Abdominal CT — axial plane, index 15 — soft-tissue window — SOMATOM Force scanner
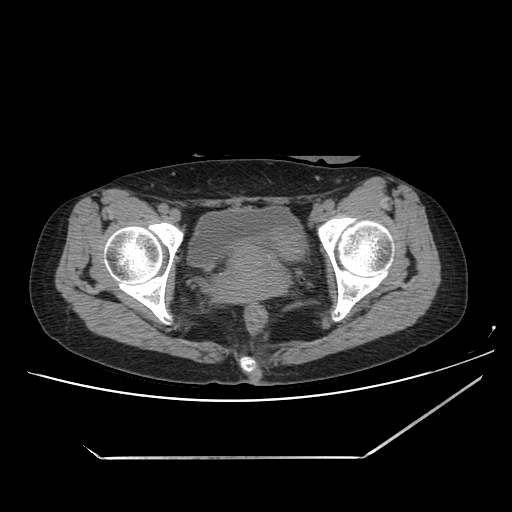 One row per box, in pixels: columns x1 and y1 give the top-left corner, x2 and y2 the bottom-right.
| organ | x1 | y1 | x2 | y2 |
|---|---|---|---|---|
| bladder | 189 | 207 | 300 | 265 |
| prostate/uterus | 211 | 232 | 305 | 301 |